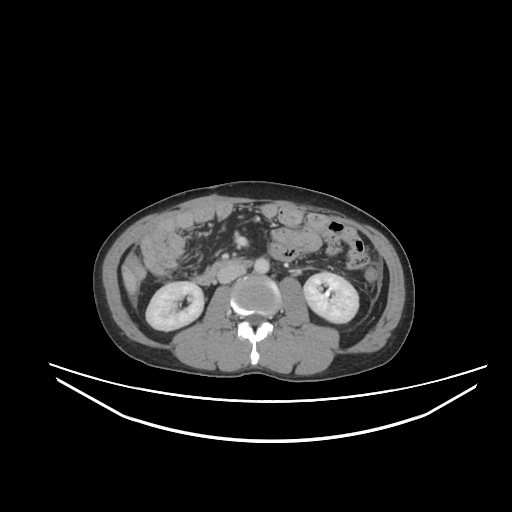

Computed tomography, abdomen · axial view · soft-tissue window · 512x512 px · 47-year-old male patient
Box edges are left/top/right/bottom in pixels. Labeled organs on this slice: right kidney at left=146, top=281, right=203, bottom=331, left kidney at left=303, top=272, right=358, bottom=323, liver at left=122, top=261, right=137, bottom=295, aorta at left=254, top=257, right=269, bottom=273, inferior vena cava at left=217, top=266, right=245, bottom=283, duodenum at left=194, top=259, right=251, bottom=285.